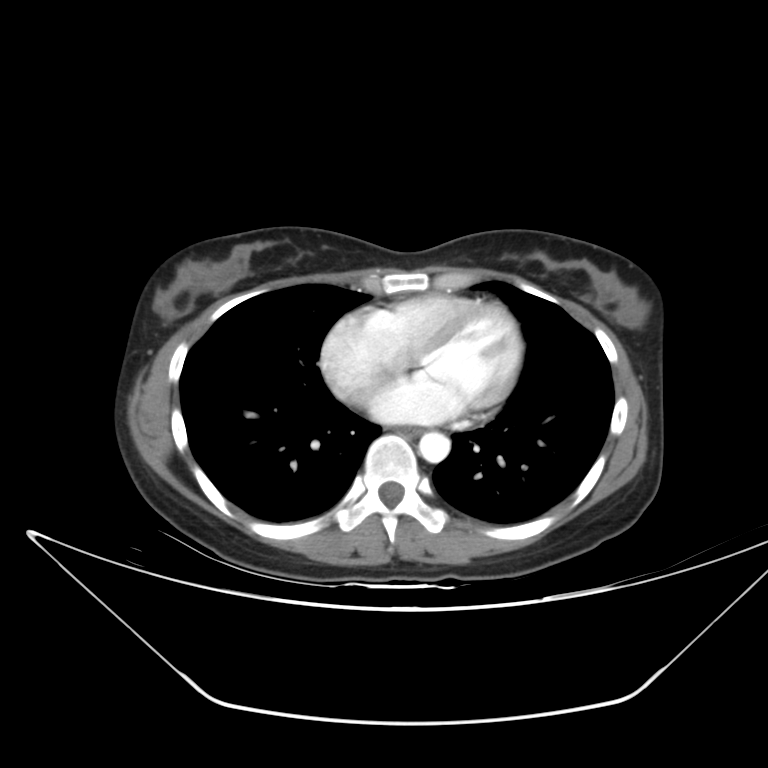 Abdominal CT; this slice is in the lower chest, just above the liver. axial view. soft-tissue window (W 400 / L 40). 768x768 px. 34-year-old female patient. acquired on Brilliance16
No part of the heart or lungs is labeled in this dataset, so neither has a box here.
<organs><organ name="esophagus" x1="396" y1="426" x2="420" y2="435"/><organ name="aorta" x1="419" y1="432" x2="450" y2="462"/></organs>